CT, abdomen/pelvis. axial view. soft-tissue window (W 400 / L 40). 39-year-old female patient. 15 organs annotated in this scan (a whole-scan count: organs this slice does not pass through have no box)
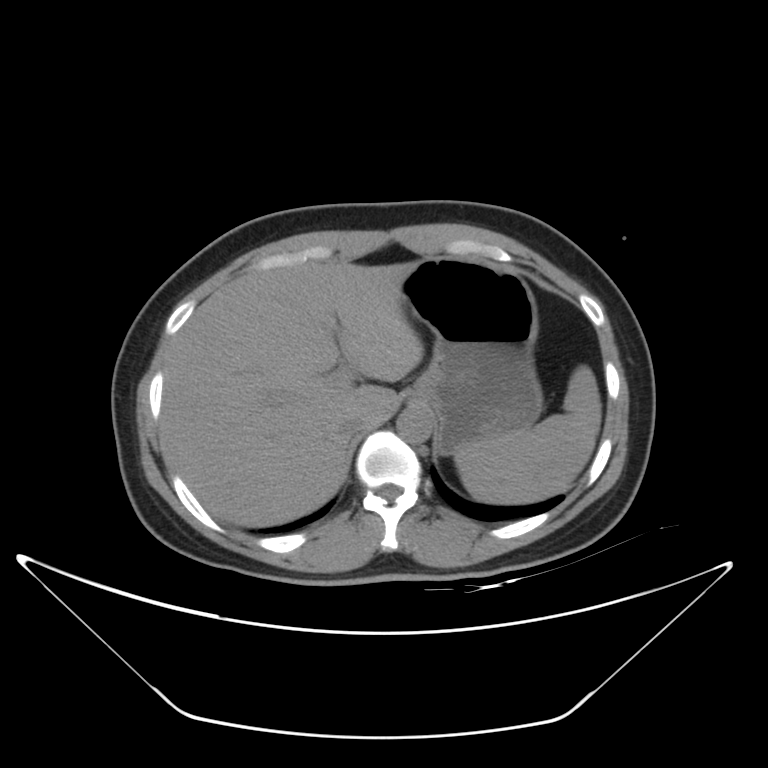 <organs><organ name="spleen" x1="454" y1="365" x2="602" y2="502"/><organ name="liver" x1="161" y1="262" x2="423" y2="527"/><organ name="stomach" x1="401" y1="258" x2="543" y2="451"/><organ name="aorta" x1="396" y1="408" x2="431" y2="443"/><organ name="inferior vena cava" x1="338" y1="412" x2="368" y2="435"/></organs>